CT abdomen — Axial slice 164/207 — SOMATOM Force scanner
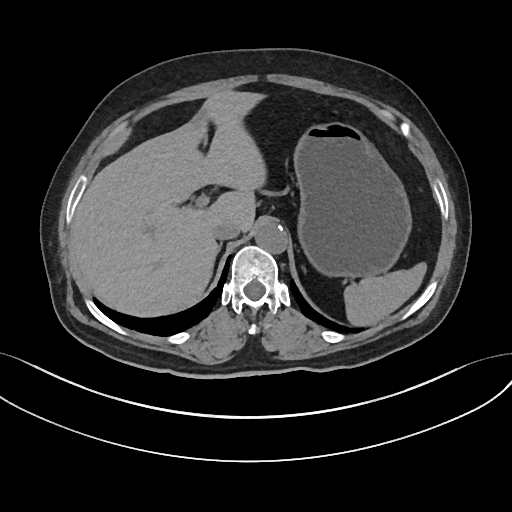 Bounding boxes as [x1, y1, x2, y2] in pixel coordinates.
aorta: [255, 222, 287, 253]
inferior vena cava: [213, 221, 240, 239]
spleen: [344, 262, 426, 326]
right adrenal gland: [219, 244, 221, 250]
stomach: [293, 122, 411, 277]
liver: [71, 90, 266, 316]